CT of the abdomen reaching into the lower chest, slice just above the liver and spleen. Axial slice 75/79. 15 organs annotated in this scan (counted over the whole 3D scan, not this slice; an organ is boxed only where this slice passes through it)
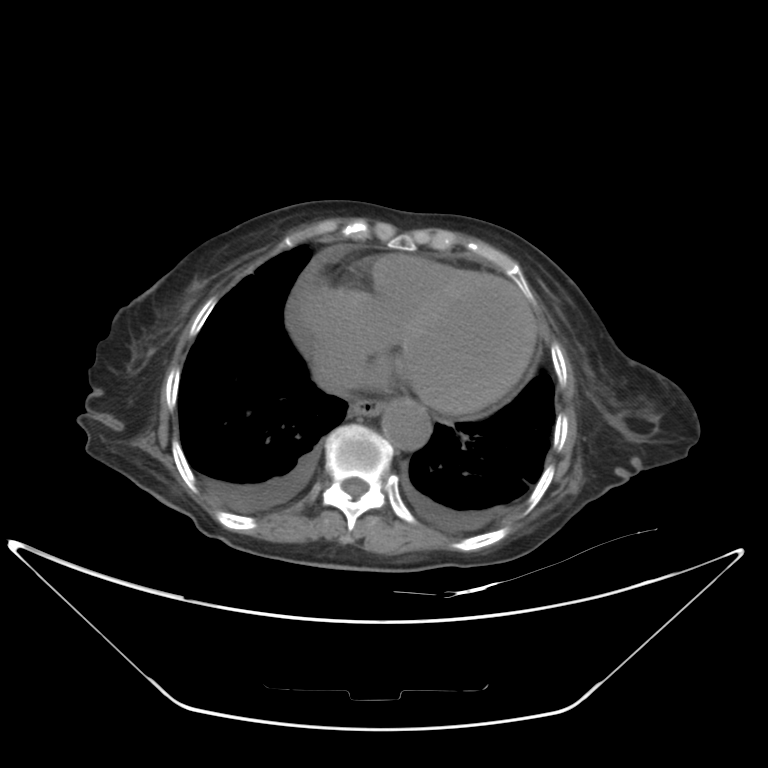 The heart and lungs are never labeled in this dataset, so they have no box on this slice.
Boxes: x1 y1 x2 y2 (pixel coords, space-separated).
Organ bounding boxes:
- esophagus: 349 398 386 416
- inferior vena cava: 314 358 354 394
- aorta: 381 399 430 451